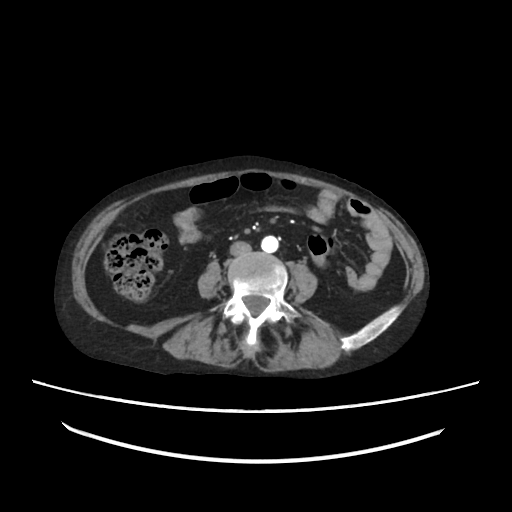

CT abdomen · axial view · W/L 400/40 HU · 61-year-old female patient
Each box given as x1,y1,x2,y2.
Organ bounding boxes:
- aorta: x1=262, y1=236, x2=279, y2=253
- inferior vena cava: x1=229, y1=242, x2=252, y2=255